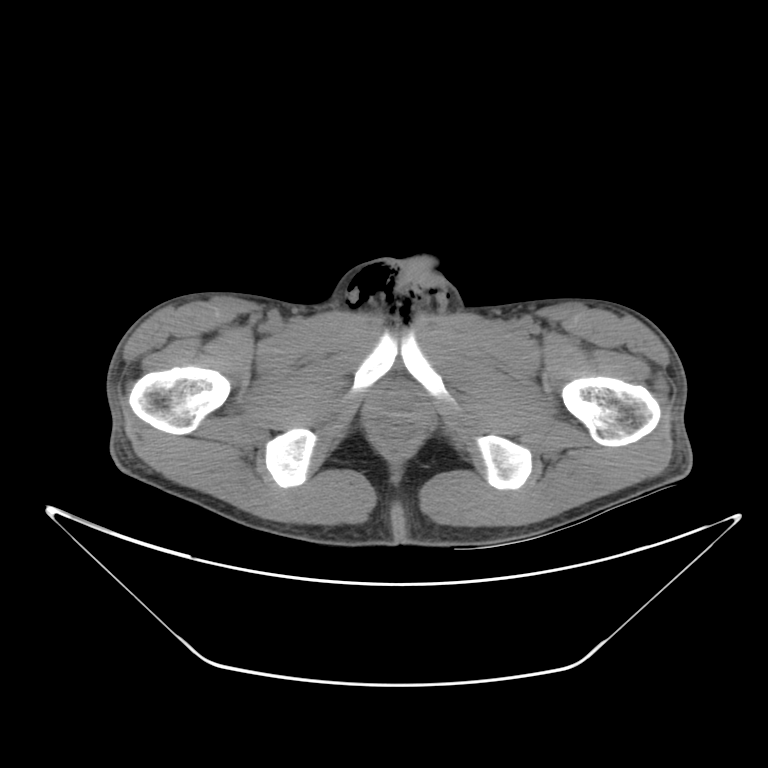

CT abdomen; axial view; 768x768 px; 33-year-old male patient; acquired on Brilliance16
<organs><organ name="prostate/uterus" x1="385" y1="395" x2="411" y2="419"/></organs>